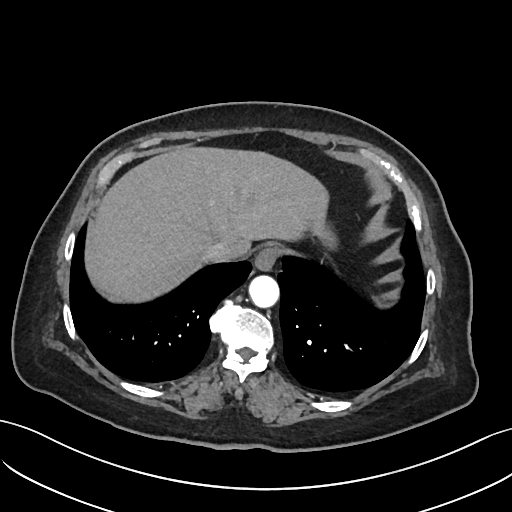 Abdominal CT — axial view — acquired on SOMATOM Force
Boxes: x1:y1:x2:y2 in pixels.
esophagus: 254:245:280:271
liver: 85:146:328:302
stomach: 318:225:335:246
aorta: 249:275:279:307
inferior vena cava: 205:242:242:262